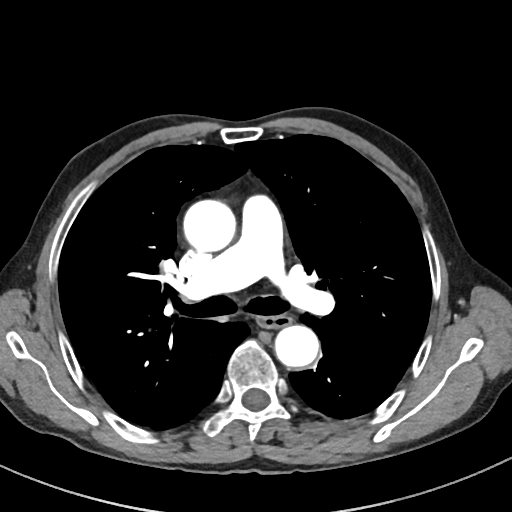
Abdominal CT reaching into the chest; this slice is in the chest — Axial slice 250/303 — soft-tissue window
At this level of the chest this dataset labels only the esophagus and the aorta, and each is boxed only where it is labeled; the heart and lungs are never labeled.
<organs><organ name="esophagus" x1="257" y1="315" x2="290" y2="328"/><organ name="aorta" x1="183" y1="199" x2="236" y2="251"/><organ name="aorta" x1="274" y1="325" x2="319" y2="367"/></organs>